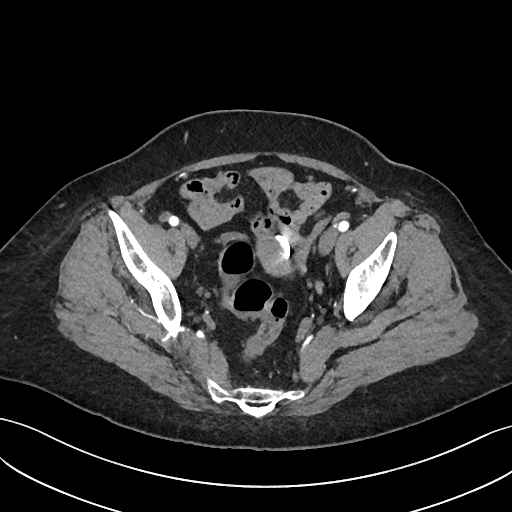 CT abdomen · Axial slice 42/276 · soft-tissue window (W 400 / L 40) · 512x512 px
{"organs":{"prostate/uterus":[257,235,300,274]}}